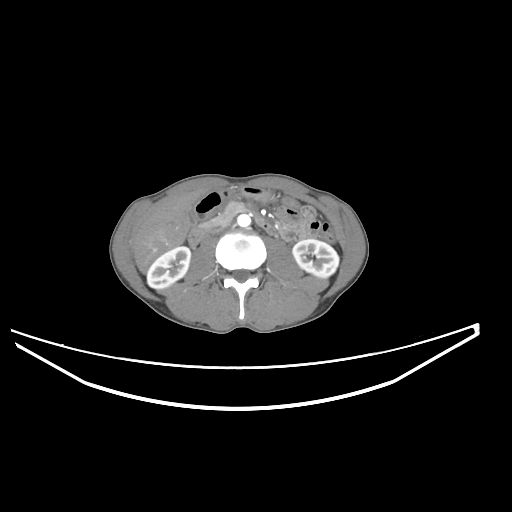
Computed tomography, abdomen; axial view; 512x512 px; 60-year-old male patient; Aquilion ONE scanner
Organ boxes in pixel coordinates; each row gives the top-left (x1, y1) and bottom-right (x2, y2) corners.
| organ | x1 | y1 | x2 | y2 |
|---|---|---|---|---|
| right kidney | 147 | 246 | 190 | 289 |
| left kidney | 292 | 239 | 338 | 277 |
| gall bladder | 189 | 210 | 196 | 222 |
| liver | 133 | 191 | 202 | 272 |
| stomach | 194 | 186 | 271 | 220 |
| aorta | 237 | 214 | 250 | 227 |
| inferior vena cava | 217 | 219 | 236 | 235 |
| pancreas | 205 | 200 | 246 | 226 |
| duodenum | 188 | 214 | 274 | 246 |